CT, abdomen/pelvis. Axial slice 23/204. abdomen soft-tissue window. 512x512 px. SOMATOM Force scanner. scan has 15 labeled organs (a whole-scan count: organs this slice does not pass through have no box)
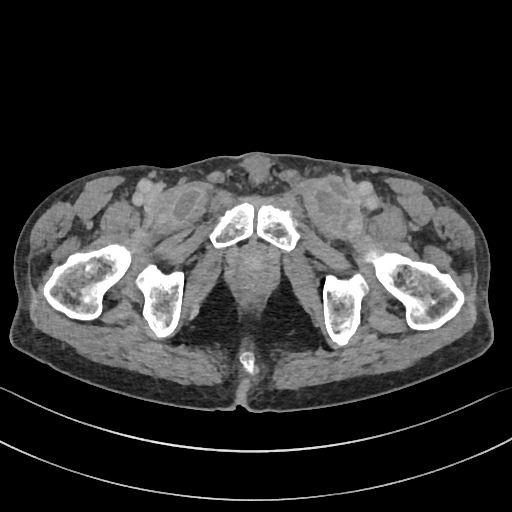
{"organs":{"prostate/uterus":[238,245,268,272]}}